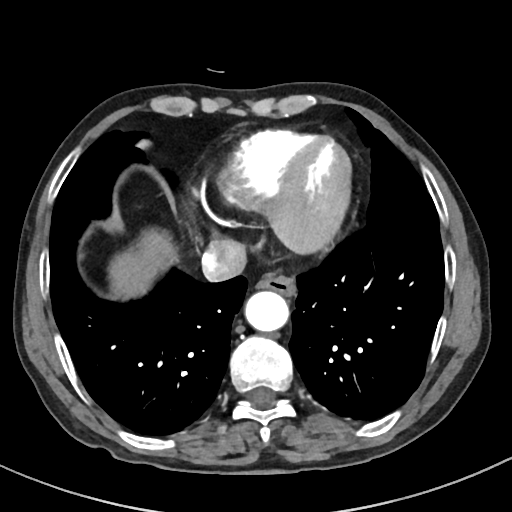

Abdominal CT · axial view · 15 organs annotated in this scan (counted over the whole 3D scan, not this slice; an organ is boxed only where this slice passes through it)
<organs><organ name="esophagus" x1="253" y1="269" x2="293" y2="295"/><organ name="liver" x1="110" y1="232" x2="175" y2="295"/><organ name="aorta" x1="246" y1="291" x2="290" y2="331"/><organ name="inferior vena cava" x1="202" y1="240" x2="245" y2="280"/></organs>